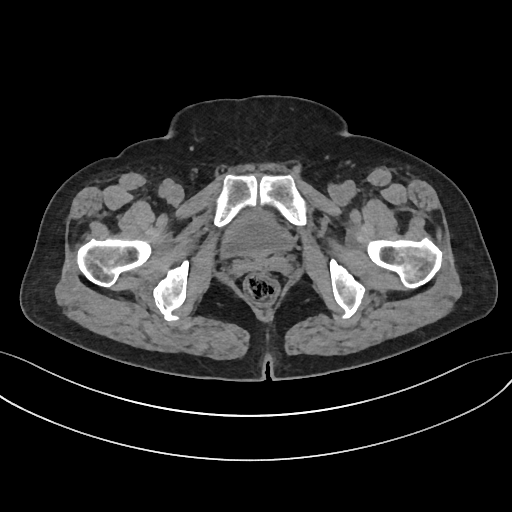
CT, abdomen/pelvis. axial plane, index 13
Bounding boxes in pixels, one row per box: x1, y1 is the top-left corner and x2, y2 the bottom-right.
| organ | x1 | y1 | x2 | y2 |
|---|---|---|---|---|
| bladder | 221 | 212 | 292 | 256 |